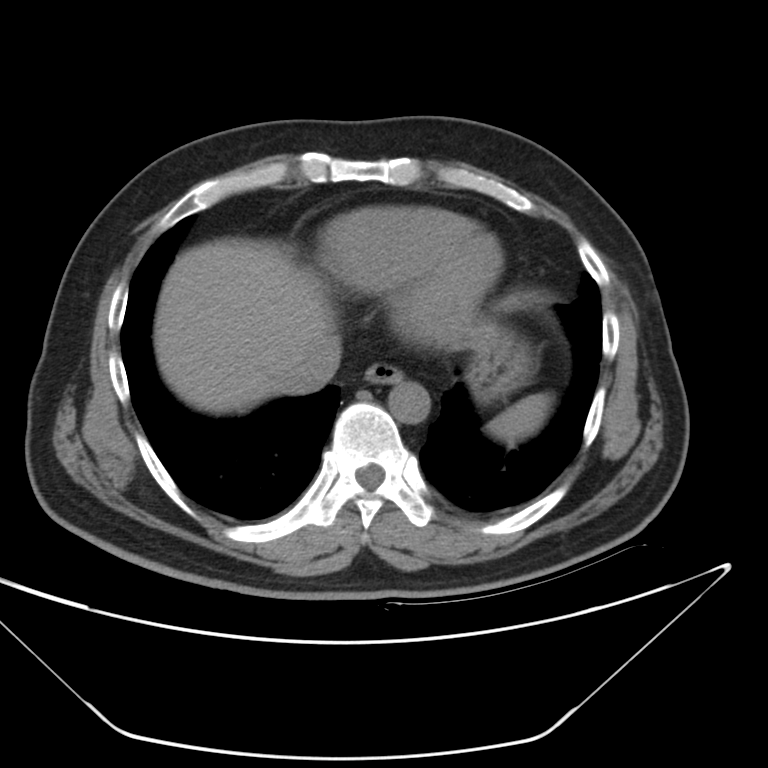 CT, abdomen/pelvis; axial view; soft-tissue window (W 400 / L 40); 768x768 px; Brilliance16 scanner
Box edges are left/top/right/bottom in pixels.
spleen: left=489, top=396, right=551, bottom=447
esophagus: left=363, top=362, right=402, bottom=384
liver: left=154, top=236, right=336, bottom=413
stomach: left=466, top=322, right=528, bottom=401
aorta: left=389, top=376, right=431, bottom=424
inferior vena cava: left=286, top=339, right=342, bottom=393